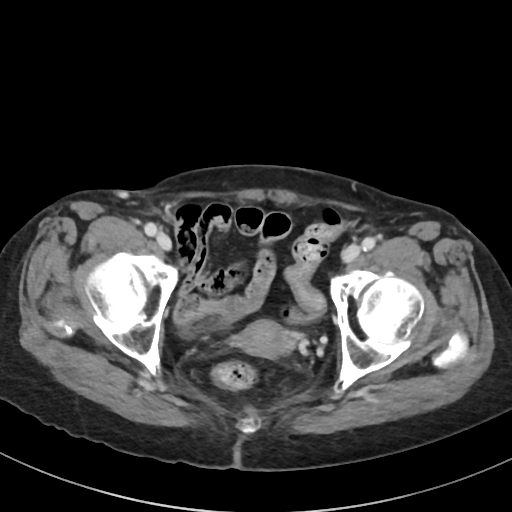
Abdominal CT; axial plane, index 11; 512x512 px; scan has 15 labeled organs (counted over the whole 3D scan, not this slice; an organ is boxed only where this slice passes through it)
Bounding boxes as [x1, y1, x2, y2] in pixel coordinates.
prostate/uterus: [234, 320, 294, 358]